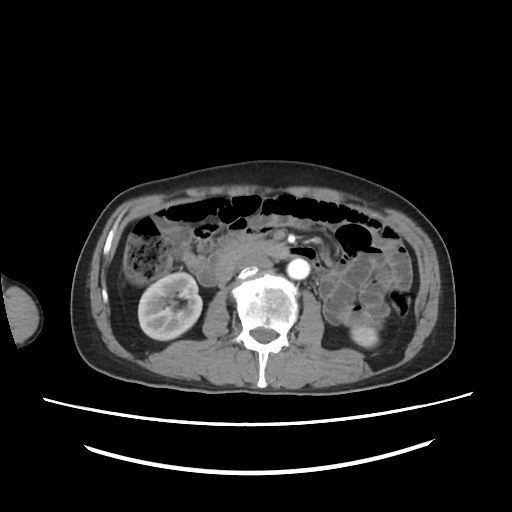
CT, abdomen/pelvis. axial view. Aquilion ONE scanner. scan has 14 labeled organs (that count is for the whole scan; organs this slice misses have no box)
Bounding boxes in pixels, one row per box: x1, y1 is the top-left corner and x2, y2 the bottom-right.
| organ | x1 | y1 | x2 | y2 |
|---|---|---|---|---|
| duodenum | 214 | 242 | 287 | 280 |
| aorta | 287 | 258 | 309 | 279 |
| left kidney | 352 | 327 | 379 | 346 |
| right kidney | 139 | 271 | 203 | 339 |
| inferior vena cava | 234 | 255 | 275 | 271 |